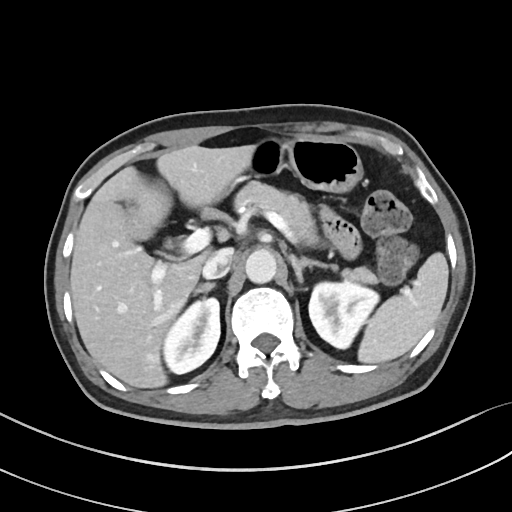 Abdominal CT · axial plane, index 66 · 512x512 px
One row per box, in pixels: columns x1 and y1 give the top-left corner, x2 and y2 the bottom-right.
| organ | x1 | y1 | x2 | y2 |
|---|---|---|---|---|
| spleen | 358 | 252 | 448 | 363 |
| right kidney | 163 | 298 | 220 | 374 |
| left kidney | 308 | 282 | 379 | 348 |
| liver | 70 | 145 | 253 | 388 |
| stomach | 249 | 136 | 362 | 192 |
| aorta | 245 | 248 | 276 | 283 |
| inferior vena cava | 202 | 248 | 233 | 278 |
| pancreas | 234 | 181 | 378 | 284 |
| right adrenal gland | 194 | 282 | 215 | 294 |
| left adrenal gland | 289 | 254 | 327 | 282 |